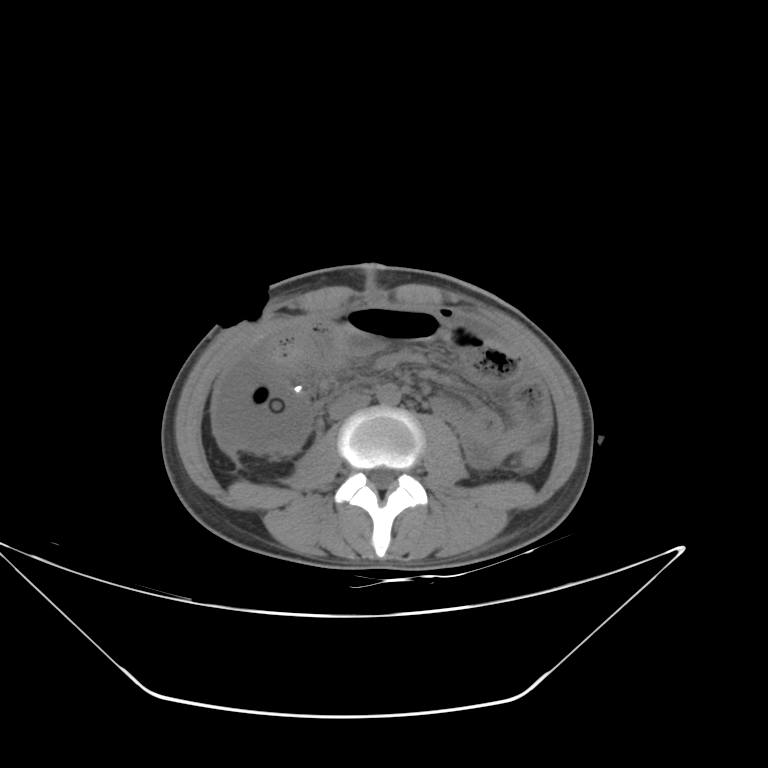

CT abdomen · axial plane, index 52 · Brilliance16 scanner
<organs><organ name="aorta" x1="376" y1="384" x2="400" y2="406"/><organ name="inferior vena cava" x1="329" y1="393" x2="370" y2="419"/></organs>